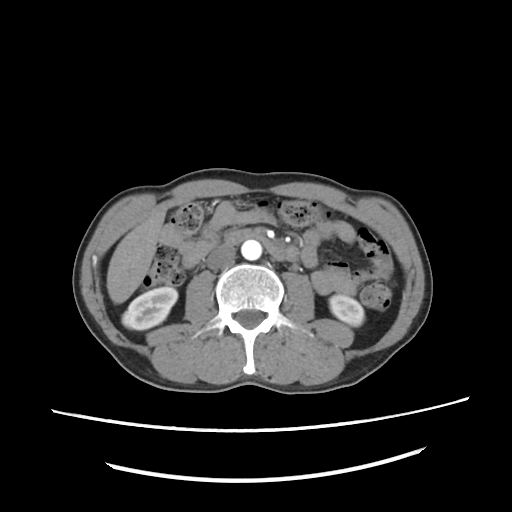
Computed tomography, abdomen — axial view — 55-year-old male patient — acquired on Aquilion ONE
Boxes: x1:y1:x2:y2 in pixels.
right kidney: 122:286:177:329
left kidney: 329:294:363:325
liver: 107:206:165:302
aorta: 241:240:261:260
inferior vena cava: 205:244:236:268
duodenum: 225:227:287:259